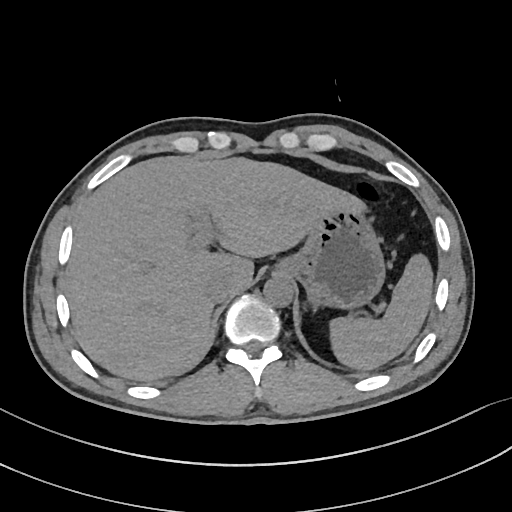
CT abdomen · axial view · 512x512 px
{"organs":{"spleen":[329,254,433,369],"liver":[67,156,365,381],"stomach":[278,209,385,308],"aorta":[263,277,293,306],"inferior vena cava":[204,273,232,303]}}